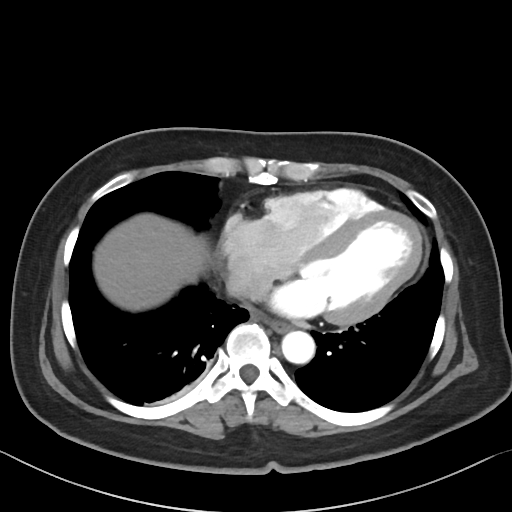
CT, abdomen/pelvis — axial view — 512x512 px — 15 organs annotated in this scan (counted over the whole 3D scan, not this slice; an organ is boxed only where this slice passes through it)
Coordinates as <box>x1,y1,x2,y2</box> in pixels. The annotated organs in this slice are: inferior vena cava at <box>226,272,271,299</box>, esophagus at <box>269,319,292,332</box>, aorta at <box>281,331,315,364</box>, liver at <box>93,213,209,311</box>.